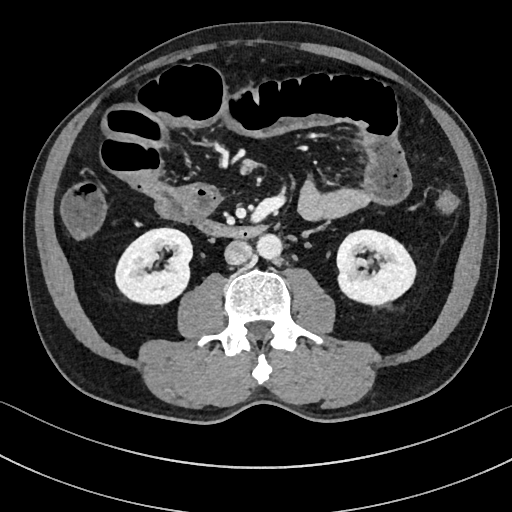 CT abdomen; axial view; 512x512 px
Bounding boxes in pixels, one row per box: x1, y1 is the top-left corner and x2, y2 the bottom-right.
| organ | x1 | y1 | x2 | y2 |
|---|---|---|---|---|
| aorta | 256 | 233 | 281 | 258 |
| right kidney | 116 | 228 | 192 | 304 |
| inferior vena cava | 224 | 240 | 252 | 264 |
| left kidney | 337 | 230 | 414 | 304 |
| duodenum | 199 | 222 | 269 | 237 |